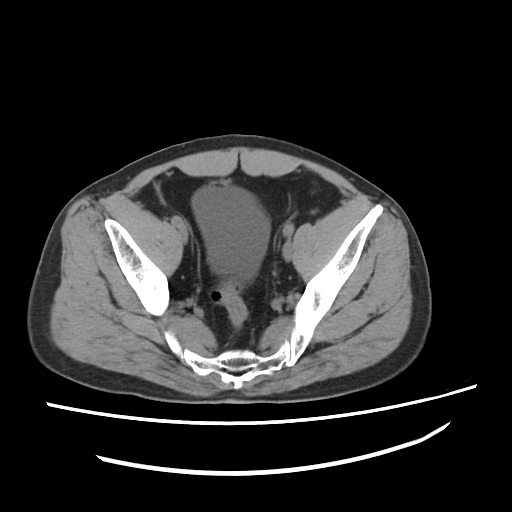 Computed tomography, abdomen · axial view · soft-tissue window · Aquilion ONE scanner · scan has 15 labeled organs (that count is for the whole scan; organs this slice misses have no box)
{"organs":{"bladder":[190,186,268,275]}}